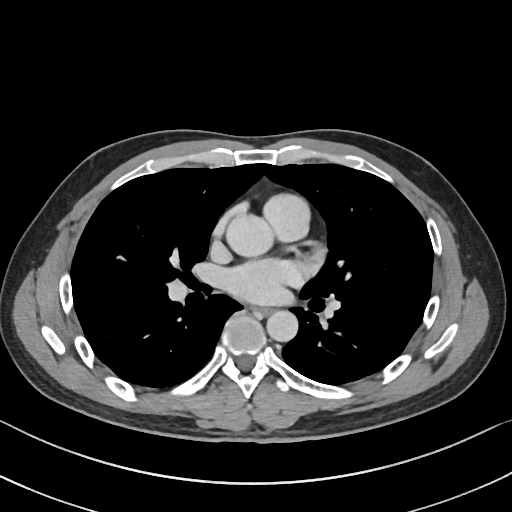

Chest-level CT slice, above the liver and spleen · Axial slice 220/291 · scan has 15 labeled organs (a whole-scan count: organs this slice does not pass through have no box)
On a slice this high in the chest, this dataset labels only the esophagus and the aorta, and each is boxed only where it is labeled; the heart, lungs and other chest structures are not labeled.
Each box given as x1,y1,x2,y2.
Organ bounding boxes:
- esophagus: x1=253, y1=307, x2=272, y2=315
- aorta: x1=226, y1=214, x2=273, y2=256
- aorta: x1=266, y1=310, x2=298, y2=341